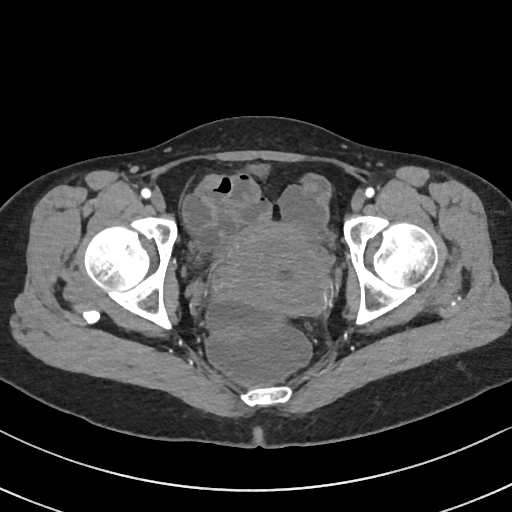
Computed tomography, abdomen · axial view · soft-tissue window
{"organs":{"prostate/uterus":[215,223,332,315]}}